Abdominal CT. axial plane, index 41. soft-tissue window. acquired on Brilliance16
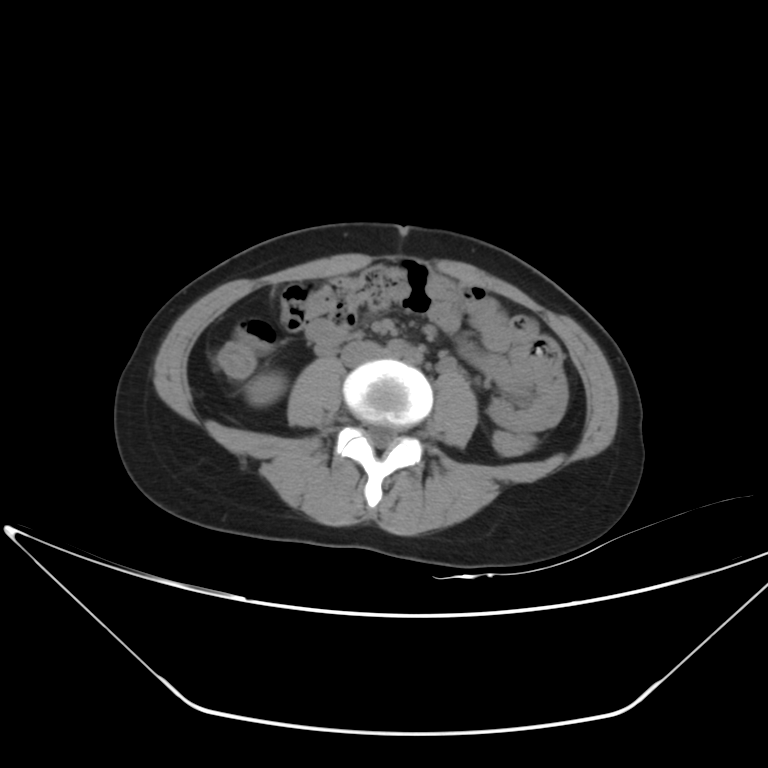 {"organs":{"right kidney":[247,374,282,401],"inferior vena cava":[340,342,384,365]}}